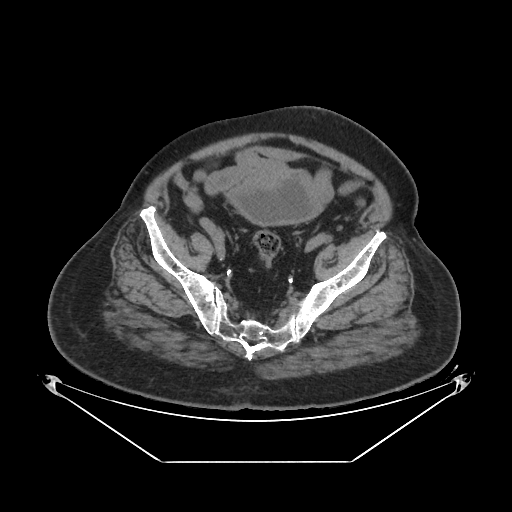
Computed tomography, abdomen. axial view. W/L 400/40 HU
<organs><organ name="bladder" x1="226" y1="170" x2="323" y2="226"/></organs>